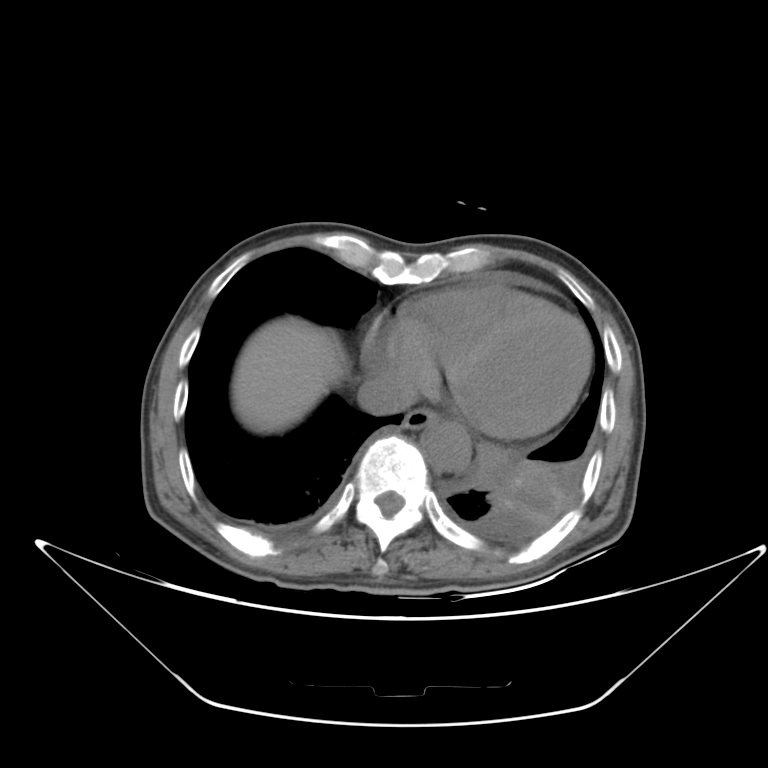
Abdominal CT · axial view · 768x768 px · 69-year-old male patient
Boxes: x1 y1 x2 y2 (pixel coords, space-separated).
Organ bounding boxes:
- inferior vena cava: 360 371 414 415
- aorta: 419 422 470 473
- liver: 232 321 344 432
- esophagus: 404 408 434 428